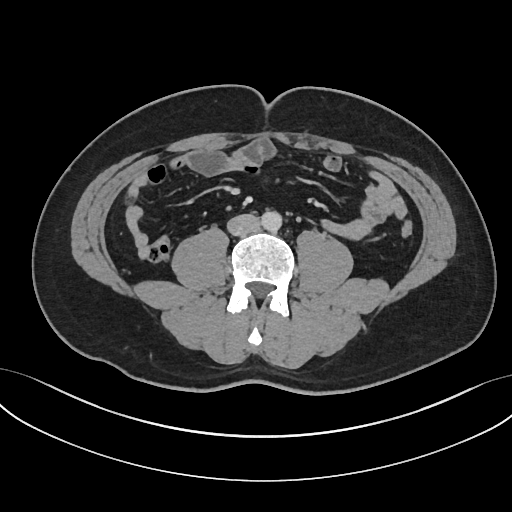 Abdominal CT. axial view. abdomen soft-tissue window. 512x512 px
Bounding boxes in pixels, one row per box: x1, y1 is the top-left corner and x2, y2 the bottom-right.
| organ | x1 | y1 | x2 | y2 |
|---|---|---|---|---|
| aorta | 261 | 211 | 281 | 232 |
| inferior vena cava | 227 | 214 | 259 | 235 |